Abdominal CT. axial view. soft-tissue window (W 400 / L 40). 768x768 px. 32-year-old female patient. acquired on Brilliance16. scan has 15 labeled organs (that count is for the whole scan; organs this slice misses have no box)
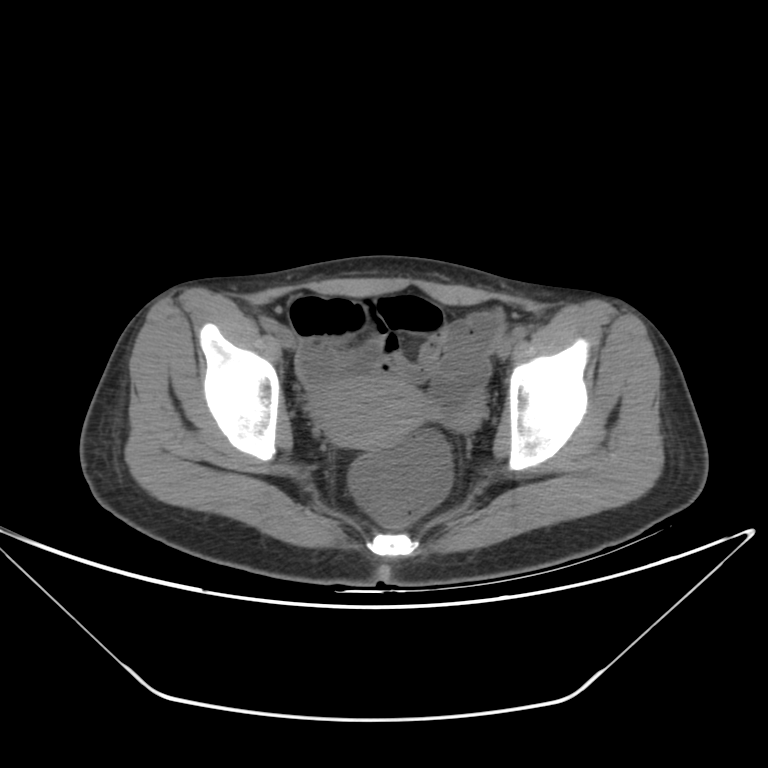
<organs><organ name="prostate/uterus" x1="315" y1="375" x2="425" y2="449"/></organs>